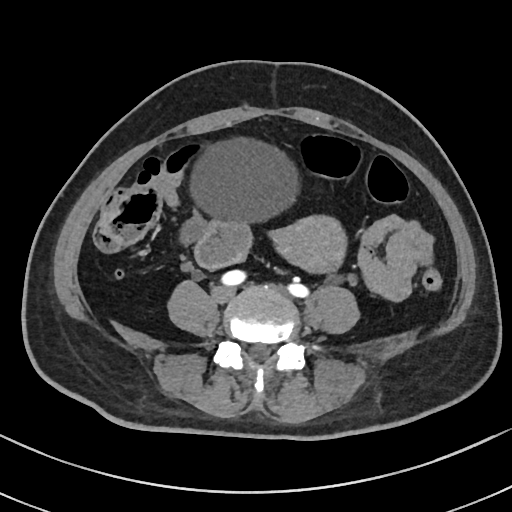 Abdominal CT · axial view · abdomen soft-tissue window · 512x512 px
Boxes: x1:y1:x2:y2 in pixels.
Organ bounding boxes:
- bladder: 188:139:302:222
- prostate/uterus: 269:215:348:272